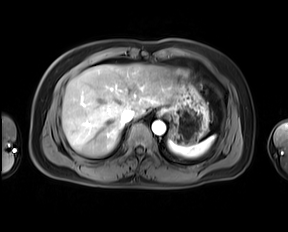 MRI, abdomen; axial view; 288x232 px
Boxes are (x1, y1, x2, y2) in pixels. The annotated organs in this slice are: aorta at (151, 120, 165, 135), esophagus at (157, 109, 163, 116), liver at (62, 63, 175, 157), stomach at (164, 76, 209, 144), inferior vena cava at (121, 109, 134, 122), spleen at (169, 135, 214, 157).